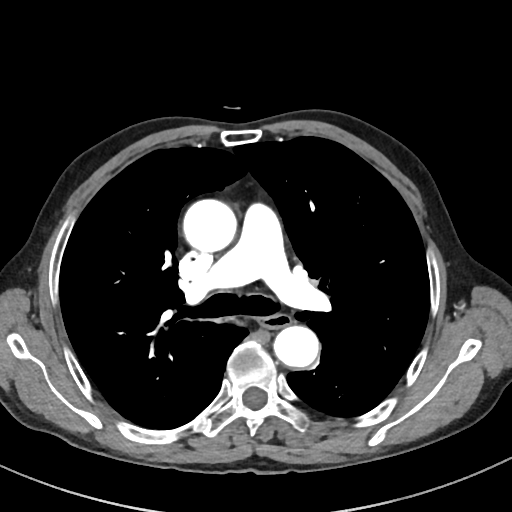 Abdominal CT reaching into the chest; this slice is in the chest · axial view
On a slice this high in the chest, this dataset labels only the esophagus and the aorta, and each is boxed only where it is labeled; the heart, lungs and other chest structures are not labeled.
<organs><organ name="esophagus" x1="259" y1="313" x2="290" y2="329"/><organ name="aorta" x1="183" y1="199" x2="236" y2="252"/><organ name="aorta" x1="274" y1="326" x2="319" y2="368"/></organs>